Chest-level slice from an abdominal CT that extends up into the chest; axial view; soft-tissue window (W 400 / L 40)
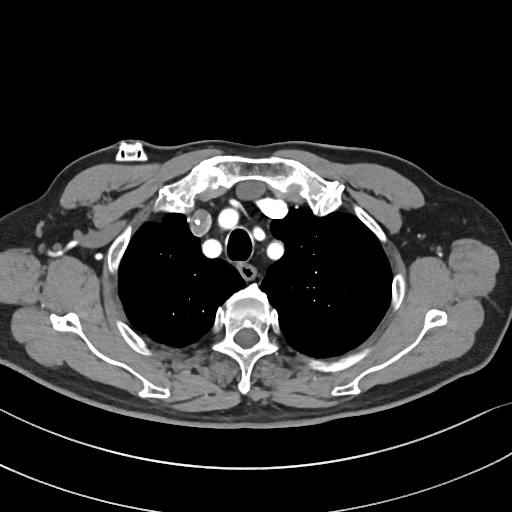
At this level of the chest this dataset labels only the esophagus and the aorta, and each is boxed only where it is labeled; the heart and lungs are never labeled.
One row per box, in pixels: columns x1 and y1 give the top-left corner, x2 and y2 the bottom-right.
| organ | x1 | y1 | x2 | y2 |
|---|---|---|---|---|
| esophagus | 239 | 263 | 255 | 278 |